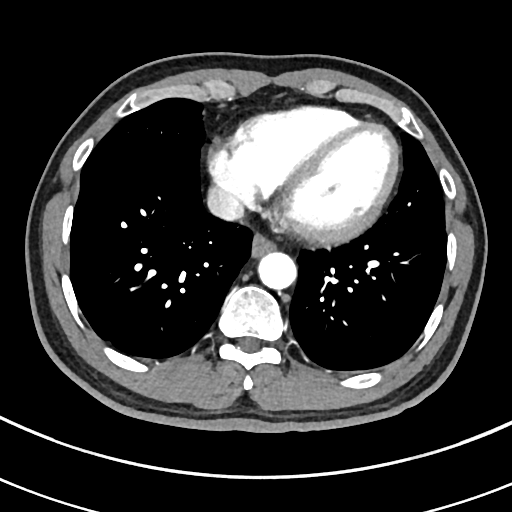

CT of the abdomen reaching into the lower chest, slice just above the liver and spleen · Axial slice 199/302 · acquired on SOMATOM Force
No part of the heart or lungs is labeled in this dataset, so neither has a box here.
Coordinates as <box>x1,y1,x2,y2</box> in pixels.
Organ bounding boxes:
- aorta: <box>257,252,296,290</box>
- esophagus: <box>251,233,275,256</box>
- inferior vena cava: <box>207,187,243,221</box>